CT abdomen; axial view; abdomen soft-tissue window; 512x512 px; acquired on Aquilion ONE
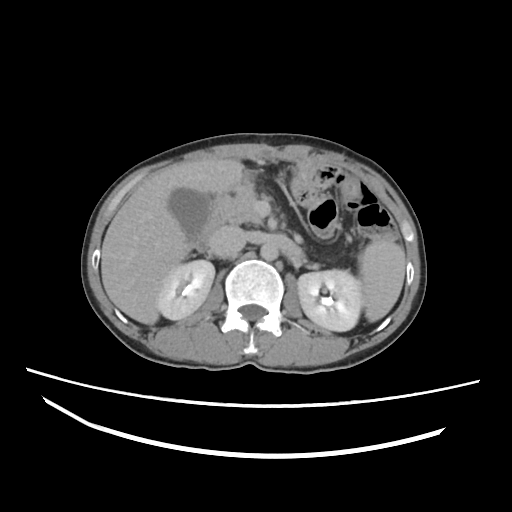
Boxes: x1:y1:x2:y2 in pixels.
Organ bounding boxes:
- spleen: 358:238:405:322
- right kidney: 159:259:213:320
- left kidney: 297:269:362:332
- gall bladder: 168:188:211:237
- liver: 101:159:242:323
- aorta: 260:244:278:260
- inferior vena cava: 209:225:246:256
- pancreas: 228:190:263:226
- duodenum: 194:191:228:250